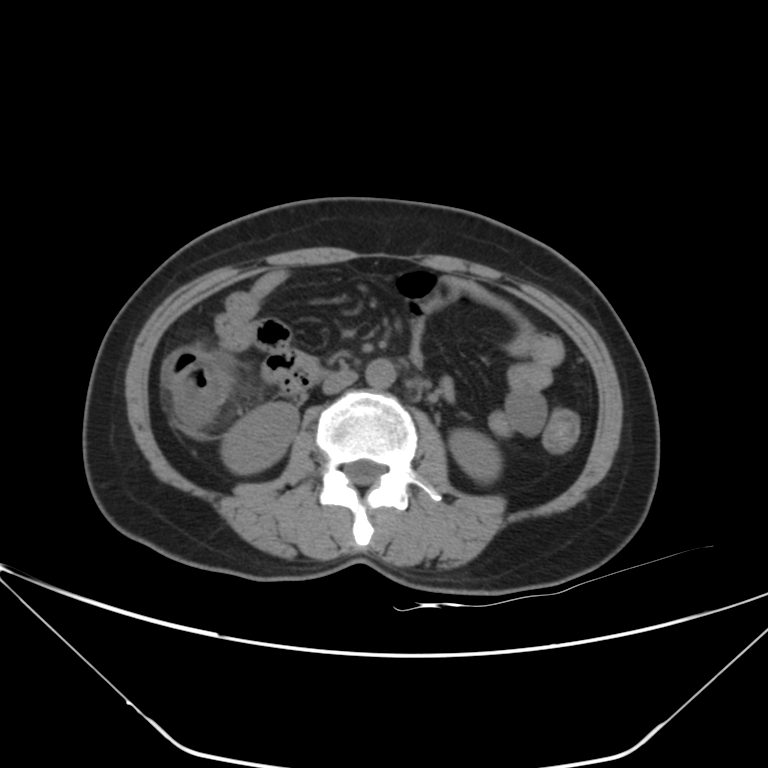
CT abdomen; axial view; soft-tissue window; scan has 15 labeled organs (counted over the whole 3D scan, not this slice; an organ is boxed only where this slice passes through it)
Organ boxes in pixel coordinates; each row gives the top-left (x1, y1) and bottom-right (x2, y2) corners.
| organ | x1 | y1 | x2 | y2 |
|---|---|---|---|---|
| right kidney | 220 | 401 | 298 | 474 |
| left kidney | 449 | 430 | 501 | 482 |
| aorta | 365 | 359 | 396 | 388 |
| inferior vena cava | 323 | 370 | 356 | 394 |